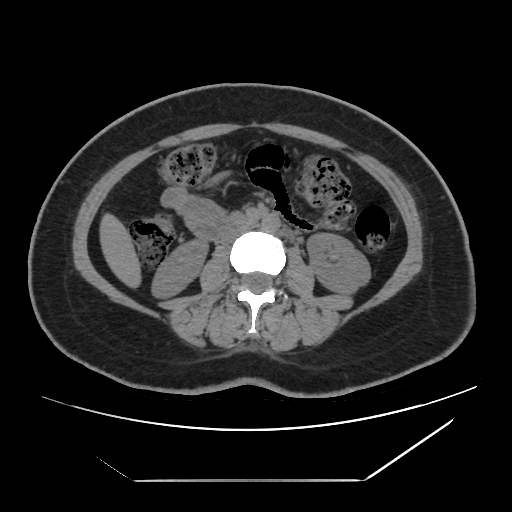
CT abdomen — axial view — W/L 400/40 HU — 15 organs annotated in this scan (that count is for the whole scan; organs this slice misses have no box)
Each box given as x1,y1,x2,y2. The annotated organs in this slice are: left kidney at x1=307, y1=233, x2=370, y2=293, duodenum at x1=232, y1=214, x2=248, y2=225, aorta at x1=261, y1=213, x2=280, y2=232, right kidney at x1=152, y1=239, x2=207, y2=297, liver at x1=100, y1=214, x2=140, y2=287, inferior vena cava at x1=222, y1=223, x2=250, y2=243.